Computed tomography, abdomen · Axial slice 57/101 · 512x512 px · Aquilion ONE scanner · 15 organs annotated in this scan (that count is for the whole scan; organs this slice misses have no box)
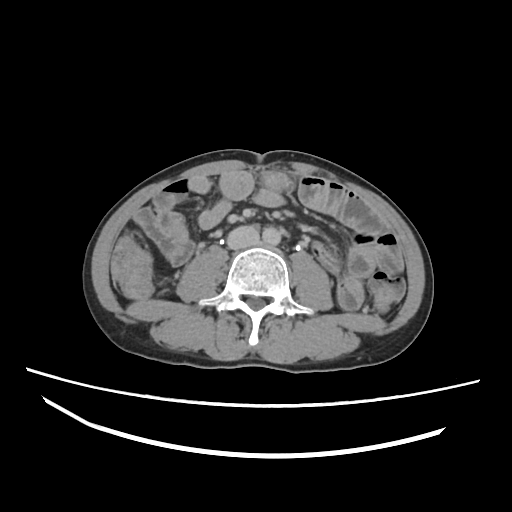

Boxes: x1:y1:x2:y2 in pixels. The annotated organs in this slice are: aorta at 262:226:282:244, inferior vena cava at 226:225:259:249.